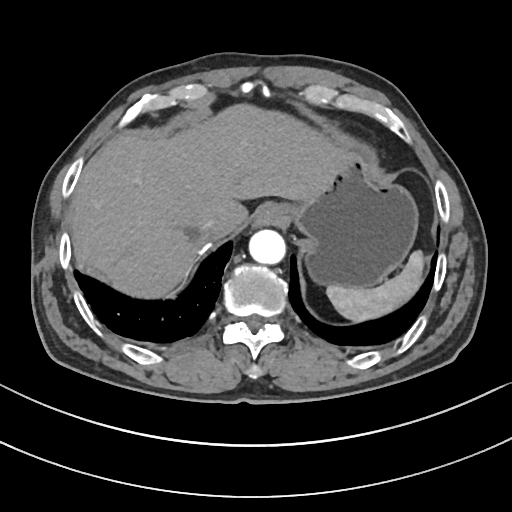

CT, abdomen/pelvis; axial plane, index 175; soft-tissue window; 512x512 px
Bounding boxes as [x1, y1, x2, y2] in pixel coordinates. 6 labeled organs on this slice — spleen at [327, 253, 423, 321]; esophagus at [250, 204, 289, 232]; liver at [71, 105, 348, 299]; stomach at [296, 153, 417, 287]; aorta at [250, 230, 286, 264]; inferior vena cava at [200, 219, 215, 232].